CT, abdomen/pelvis — axial plane, index 109
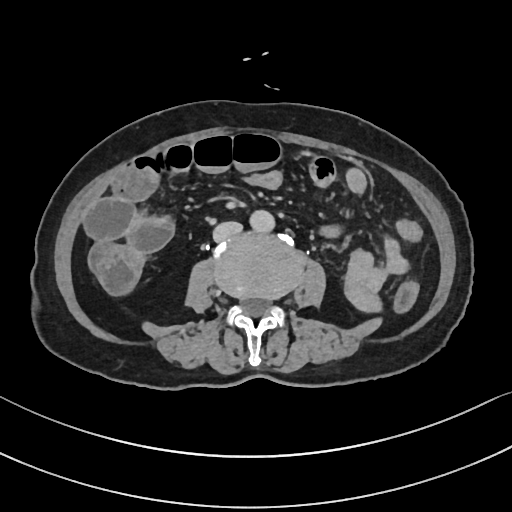
Boxes are (x1, y1, x2, y2) in pixels. Labeled organs on this slice: inferior vena cava at (213, 221, 242, 242), aorta at (248, 209, 273, 231).